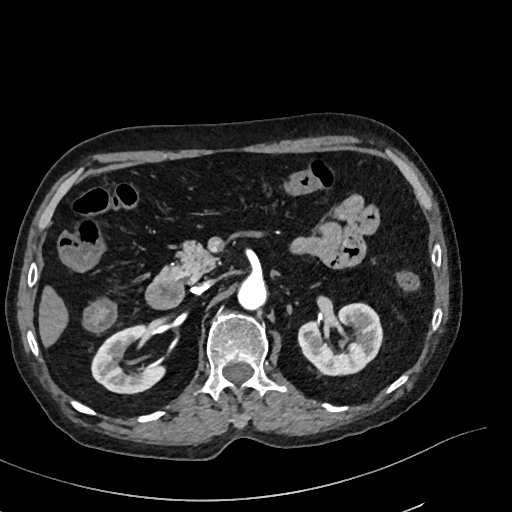
CT, abdomen/pelvis; axial plane, index 158; 512x512 px; acquired on SOMATOM Force
Box edges are left/top/right/bottom in pixels.
right kidney: left=91, top=325, right=165, bottom=393
left kidney: left=298, top=303, right=382, bottom=375
liver: left=38, top=286, right=68, bottom=347
aorta: left=238, top=276, right=266, bottom=309
inferior vena cava: left=192, top=280, right=213, bottom=294
pancreas: left=156, top=240, right=218, bottom=282
duodenum: left=145, top=278, right=184, bottom=309